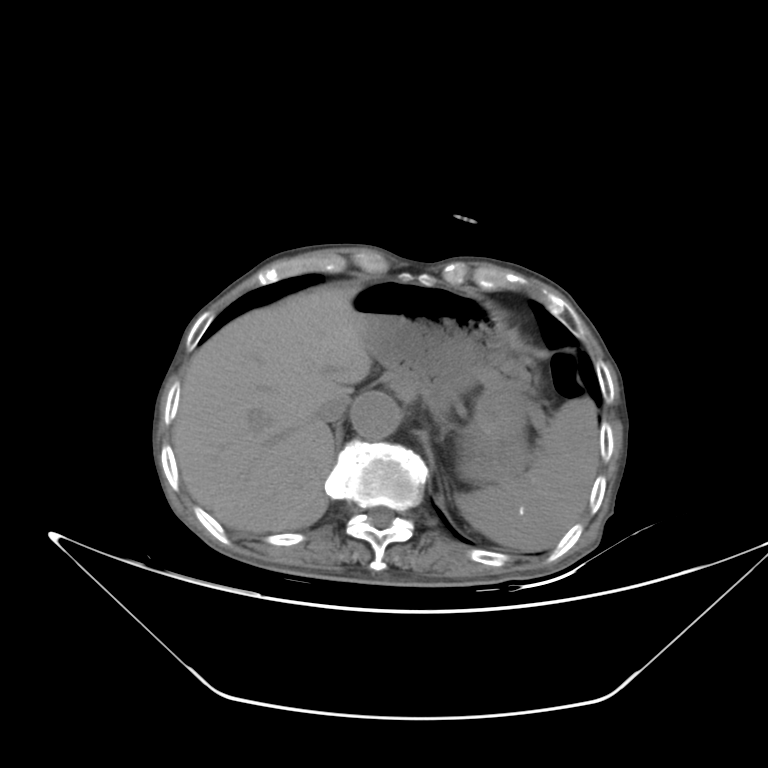 CT, abdomen/pelvis; Axial slice 72/80; abdomen soft-tissue window; 768x768 px
Coordinates as <box>x1,y1,x2,y2</box> in pixels.
left adrenal gland: <box>436,416,459,439</box>
stomach: <box>346,281,505,415</box>
spleen: <box>456,398,596,551</box>
aorta: <box>349,394,399,442</box>
inferior vena cava: <box>320,393,349,422</box>
liver: <box>173,286,368,533</box>
left kidney: <box>456,387,526,488</box>